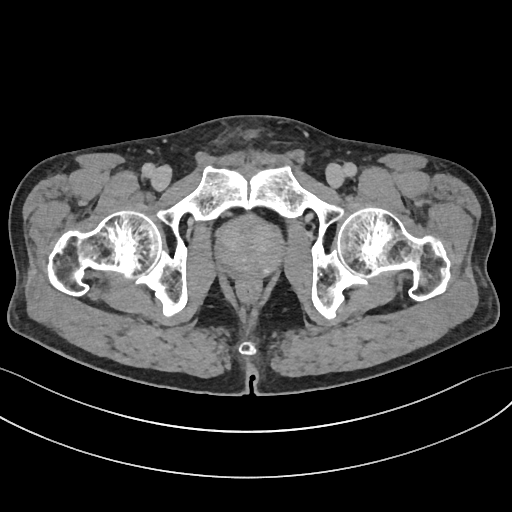 CT, abdomen/pelvis — axial view — 512x512 px — acquired on SOMATOM Force
Each box given as x1,y1,x2,y2.
prostate/uterus: x1=216, y1=216, x2=283, y2=276